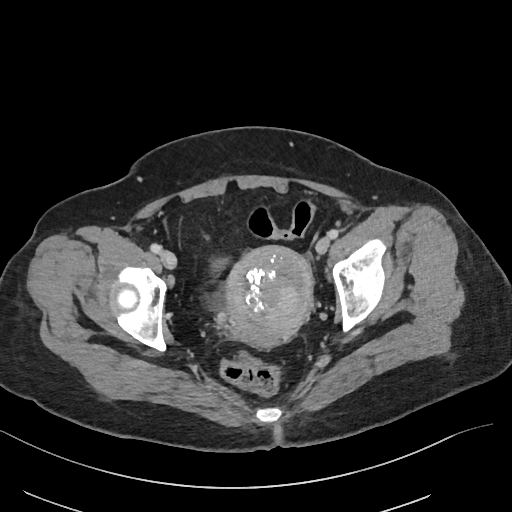
Computed tomography, abdomen; Axial slice 45/244; soft-tissue window
Each box given as x1,y1,x2,y2. Labeled organs on this slice: bladder at x1=211, y1=256, x2=230, y2=272, prostate/uterus at x1=225, y1=246, x2=312, y2=347.